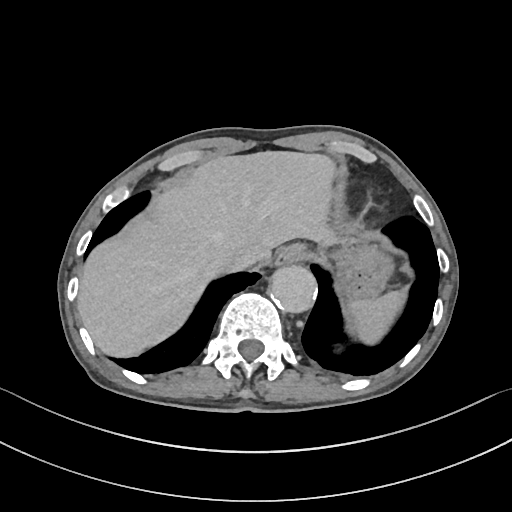 CT abdomen; axial plane, index 179
{"organs":{"spleen":[351,286,409,345],"esophagus":[274,245,307,264],"liver":[77,152,339,357],"stomach":[337,241,389,298],"aorta":[269,265,317,314],"inferior vena cava":[212,249,251,271]}}